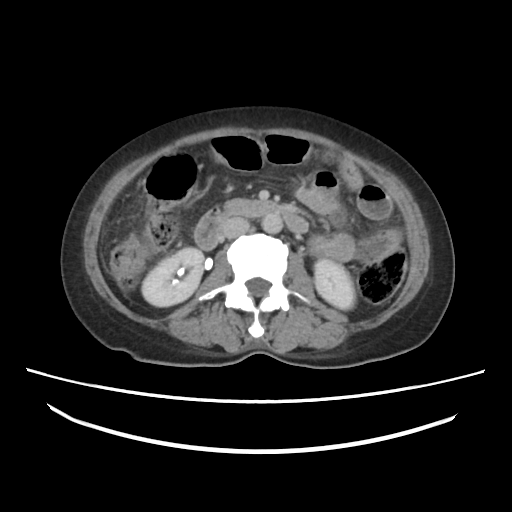

Computed tomography, abdomen · axial view · abdomen soft-tissue window · scan has 15 labeled organs (a whole-scan count: organs this slice does not pass through have no box)
<organs><organ name="right kidney" x1="141" y1="248" x2="204" y2="306"/><organ name="left kidney" x1="314" y1="259" x2="355" y2="308"/><organ name="aorta" x1="262" y1="213" x2="282" y2="233"/><organ name="inferior vena cava" x1="222" y1="217" x2="248" y2="237"/><organ name="duodenum" x1="195" y1="200" x2="310" y2="249"/></organs>